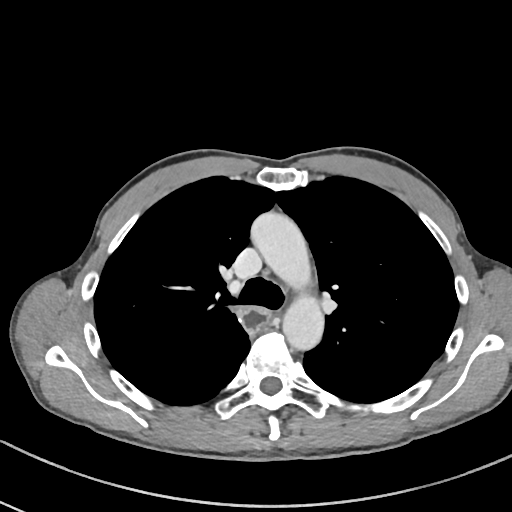

Chest-level CT slice, above the liver and spleen · axial view · soft-tissue window (W 400 / L 40) · 512x512 px · 15 organs annotated in this scan (counted over the whole 3D scan, not this slice; an organ is boxed only where this slice passes through it)
At this level of the chest no structure but the esophagus and the aorta has a label in this dataset, and those two are boxed only where they are labeled.
Each box given as x1,y1,x2,y2.
aorta: x1=249, y1=210, x2=308, y2=283
aorta: x1=282, y1=299, x2=324, y2=351
esophagus: x1=238, y1=305, x2=269, y2=333